CT, abdomen/pelvis — axial view — scan has 15 labeled organs (that count is for the whole scan; organs this slice misses have no box)
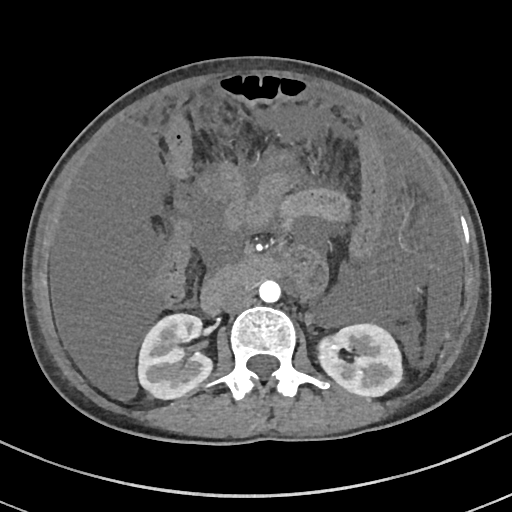

<organs><organ name="right kidney" x1="138" y1="313" x2="210" y2="398"/><organ name="left kidney" x1="316" y1="325" x2="402" y2="395"/><organ name="aorta" x1="259" y1="279" x2="280" y2="302"/><organ name="inferior vena cava" x1="220" y1="285" x2="253" y2="311"/><organ name="duodenum" x1="201" y1="257" x2="278" y2="314"/></organs>